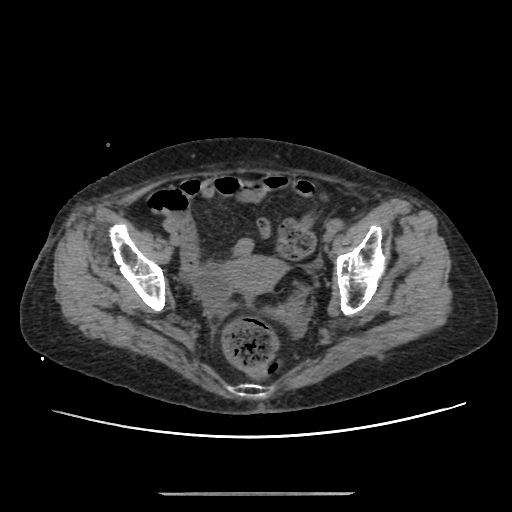
Abdominal CT — axial view — 512x512 px
<organs><organ name="prostate/uterus" x1="227" y1="255" x2="285" y2="294"/></organs>